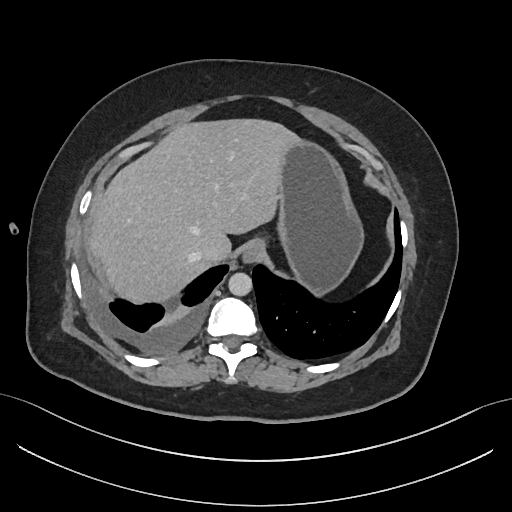

CT, abdomen/pelvis; axial view; W/L 400/40 HU; 512x512 px; scan has 15 labeled organs (a whole-scan count: organs this slice does not pass through have no box)
Box edges are left/top/right/bottom in pixels. The annotated organs in this slice are: stomach at left=278, top=140, right=363, bottom=295, aorta at left=228, top=272, right=252, bottom=296, esophagus at left=242, top=239, right=264, bottom=262, inferior vena cava at left=197, top=242, right=223, bottom=262, liver at left=92, top=119, right=300, bottom=303.